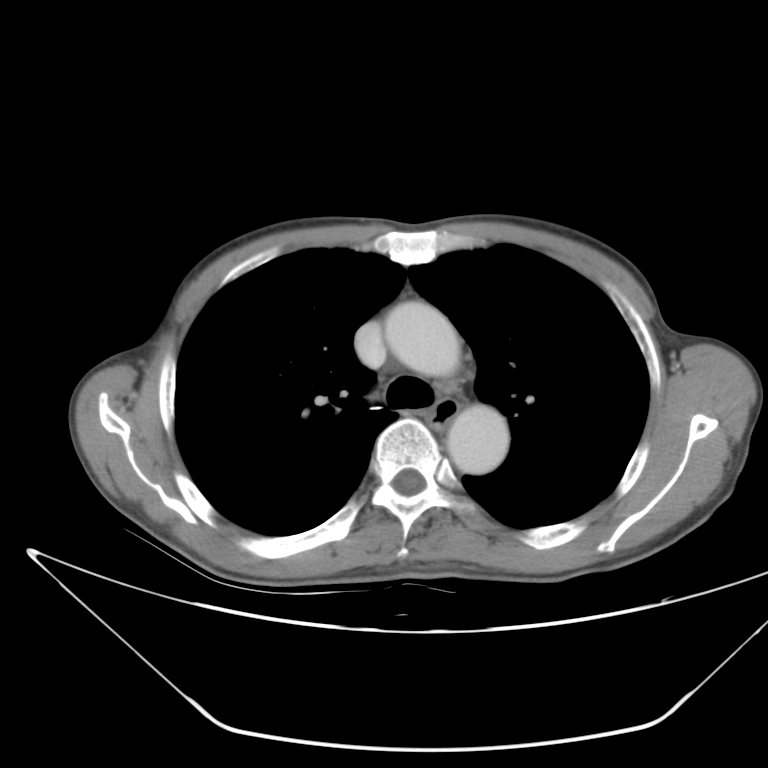
Chest-level CT slice, above the liver and spleen — axial view — soft-tissue window (W 400 / L 40) — 62-year-old male patient
At this level of the chest this dataset labels only the esophagus and the aorta, and each is boxed only where it is labeled; the heart and lungs are never labeled. Box edges are left/top/right/bottom in pixels. The annotated organs in this slice are: esophagus at left=427, top=398, right=459, bottom=430, aorta at left=381, top=300, right=462, bottom=379, aorta at left=448, top=402, right=510, bottom=472.